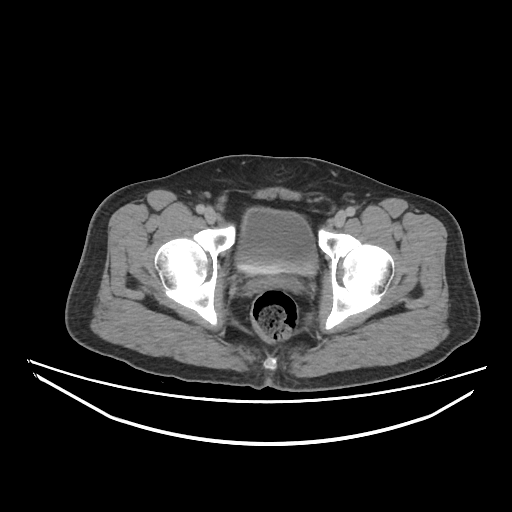 CT, abdomen/pelvis. Axial slice 28/115. 512x512 px. 55-year-old male patient
Each box given as x1,y1,x2,y2. 1 labeled organ on this slice — bladder at x1=234, y1=209, x2=317, y2=276.